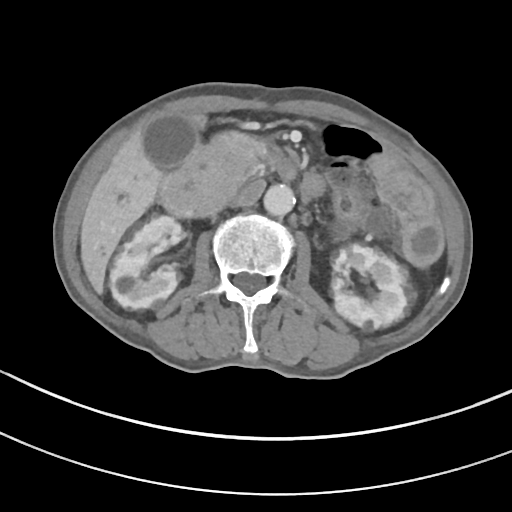 Abdominal CT; Axial slice 51/122; soft-tissue window; 512x512 px
<organs><organ name="right kidney" x1="110" y1="215" x2="181" y2="309"/><organ name="duodenum" x1="161" y1="131" x2="324" y2="216"/><organ name="left kidney" x1="331" y1="244" x2="413" y2="327"/><organ name="liver" x1="80" y1="136" x2="162" y2="293"/><organ name="gall bladder" x1="141" y1="114" x2="196" y2="168"/><organ name="inferior vena cava" x1="233" y1="181" x2="264" y2="205"/><organ name="aorta" x1="264" y1="183" x2="295" y2="216"/></organs>